CT abdomen — Axial slice 49/131 — 60-year-old male patient — scan has 15 labeled organs (that count is for the whole scan; organs this slice misses have no box)
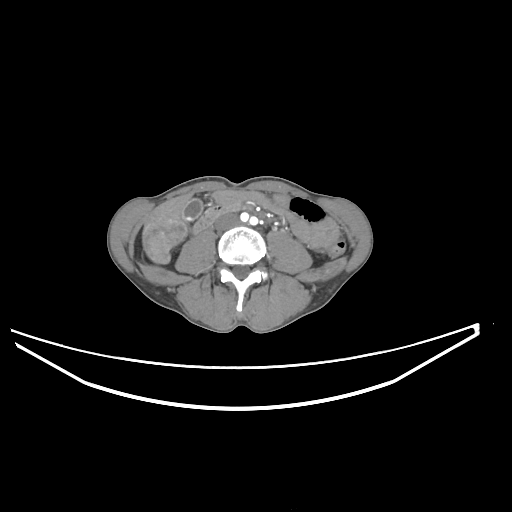 Boxes: x1:y1:x2:y2 in pixels. The annotated organs in this slice are: gall bladder at 184:199:202:220, liver at 143:192:191:264, inferior vena cava at 215:214:238:230, duodenum at 193:204:240:232.